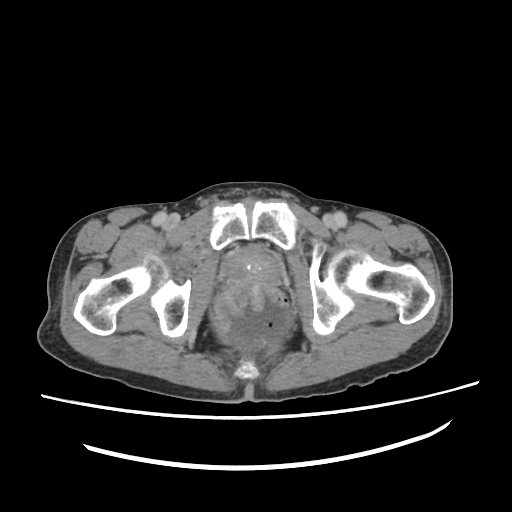
Abdominal CT. axial view. W/L 400/40 HU. scan has 15 labeled organs (that count is for the whole scan; organs this slice misses have no box)
<organs><organ name="prostate/uterus" x1="228" y1="251" x2="281" y2="281"/></organs>